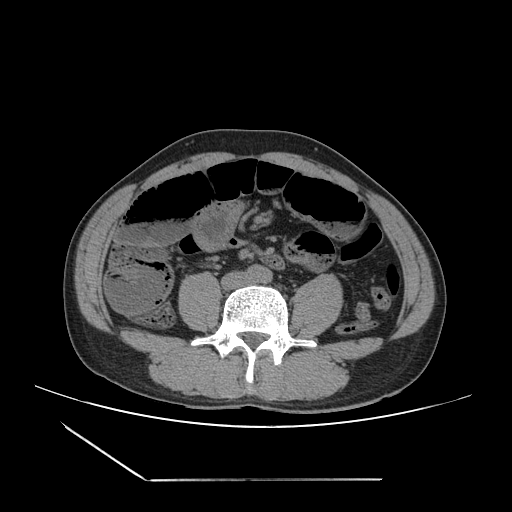

Abdominal CT; axial view; W/L 400/40 HU; 512x512 px; scan has 15 labeled organs (a whole-scan count: organs this slice does not pass through have no box)
<organs><organ name="aorta" x1="248" y1="264" x2="272" y2="282"/><organ name="inferior vena cava" x1="221" y1="271" x2="251" y2="289"/></organs>